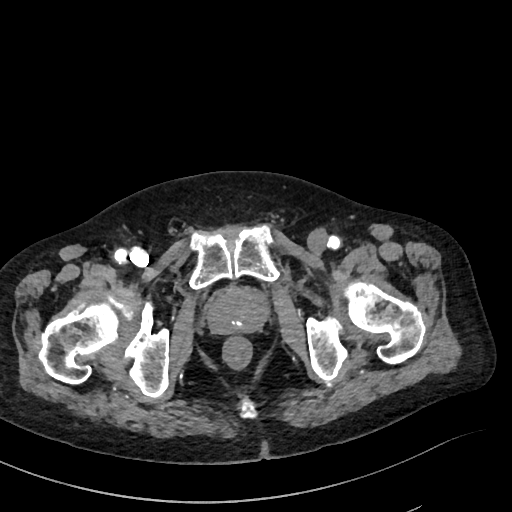
Computed tomography, abdomen; axial view; 512x512 px
Bounding boxes in pixels, one row per box: x1, y1 is the top-left corner and x2, y2 the bottom-right.
| organ | x1 | y1 | x2 | y2 |
|---|---|---|---|---|
| prostate/uterus | 207 | 289 | 267 | 334 |